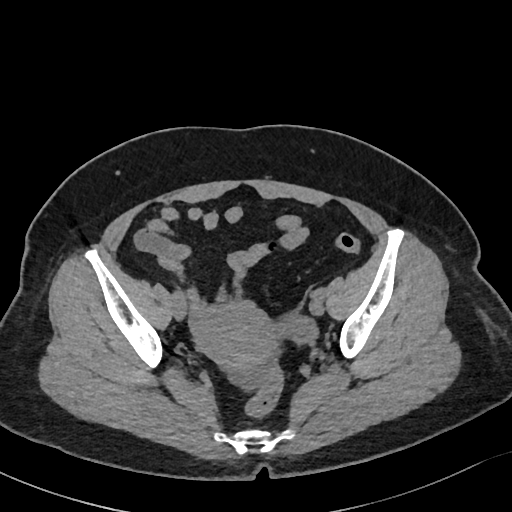 CT abdomen · axial view
{"organs":{"prostate/uterus":[190,306,279,370]}}